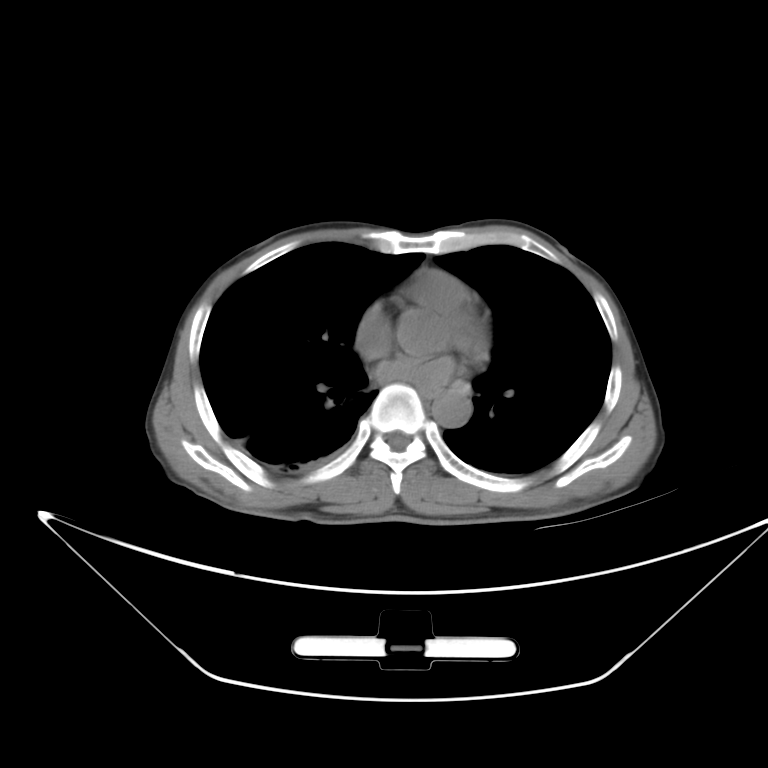

Abdominal CT; this slice is in the lower chest, just above the liver. axial view. W/L 400/40 HU. 51-year-old male patient
No part of the heart or lungs is labeled in this dataset, so neither has a box here.
<organs><organ name="esophagus" x1="418" y1="385" x2="442" y2="399"/><organ name="aorta" x1="431" y1="392" x2="470" y2="427"/></organs>